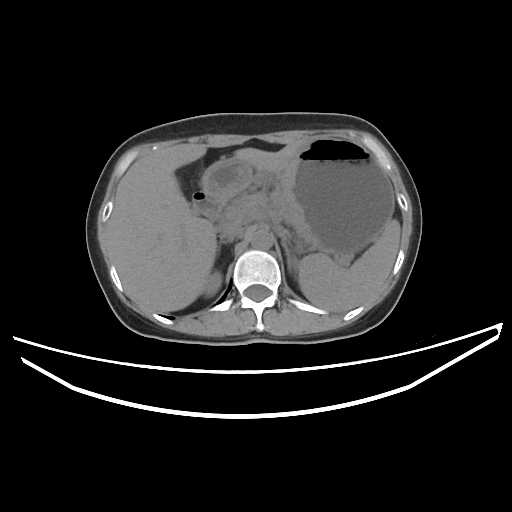

Abdominal CT. Axial slice 67/81. soft-tissue window. 512x512 px
Each box given as x1,y1,x2,y2. Labeled organs on this slice: spleen at x1=298, y1=219, x2=400, y2=311, right kidney at x1=203, y1=271, x2=222, y2=296, liver at x1=107, y1=142, x2=302, y2=312, stomach at x1=201, y1=136, x2=394, y2=259, aorta at x1=250, y1=229, x2=273, y2=249, inferior vena cava at x1=220, y1=226, x2=243, y2=240, pancreas at x1=232, y1=195, x2=247, y2=208, right adrenal gland at x1=217, y1=241, x2=231, y2=254, left adrenal gland at x1=282, y1=241, x2=298, y2=275, duodenum at x1=193, y1=192, x2=225, y2=220.